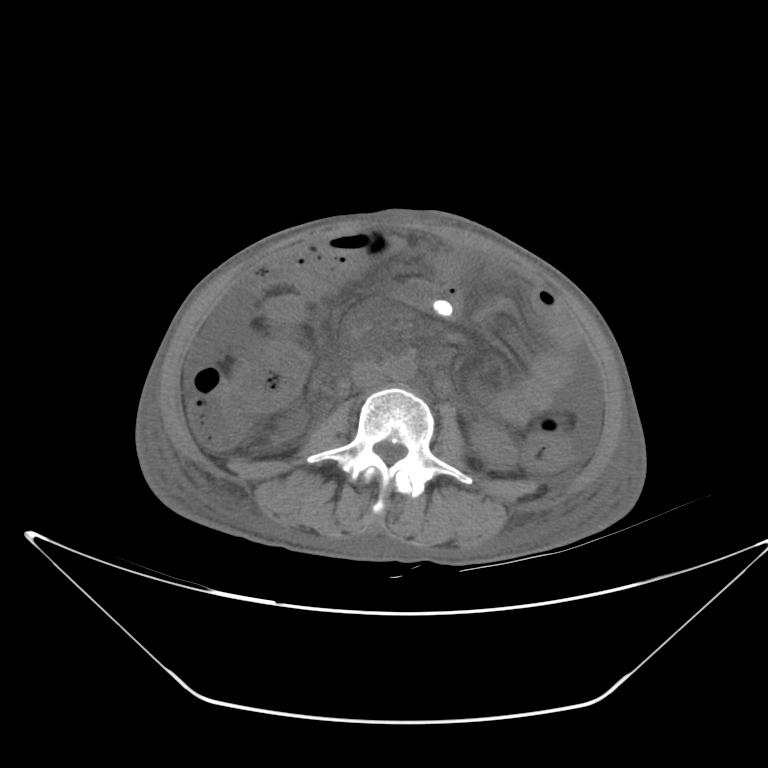

CT abdomen — axial view
Each box given as x1,y1,x2,y2.
left kidney: x1=471, y1=423, x2=516, y2=469
aorta: x1=384, y1=356, x2=416, y2=381
inferior vena cava: x1=351, y1=361, x2=384, y2=388